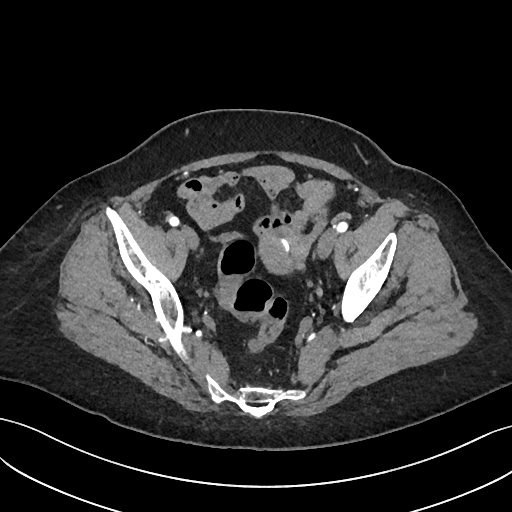 CT, abdomen/pelvis — axial view
Boxes: x1 y1 x2 y2 (pixel coords, space-separated).
Organ bounding boxes:
- prostate/uterus: 257 234 300 274